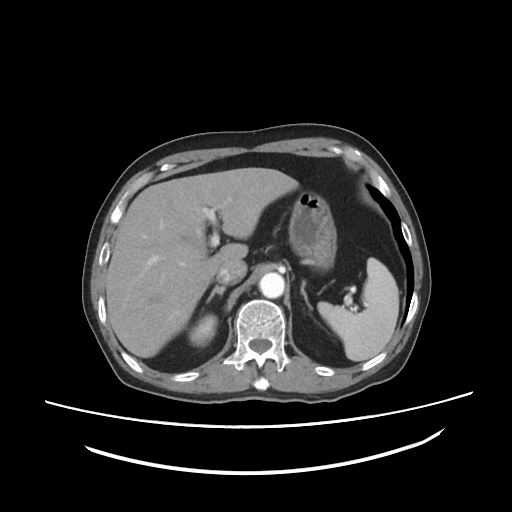

Abdominal CT · Axial slice 73/135 · soft-tissue window (W 400 / L 40) · 512x512 px · 15 organs annotated in this scan (that count is for the whole scan; organs this slice misses have no box)
Boxes: x1:y1:x2:y2 in pixels.
Organ bounding boxes:
- spleen: 317:257:398:361
- right kidney: 188:314:217:346
- liver: 105:167:298:357
- stomach: 288:191:336:269
- aorta: 259:272:284:298
- inferior vena cava: 216:261:246:284
- right adrenal gland: 207:286:225:301
- left adrenal gland: 300:280:312:309